Abdominal CT; this slice is in the lower chest, just above the liver; axial view; W/L 400/40 HU; 768x768 px; 15 organs annotated in this scan (counted over the whole 3D scan, not this slice; an organ is boxed only where this slice passes through it)
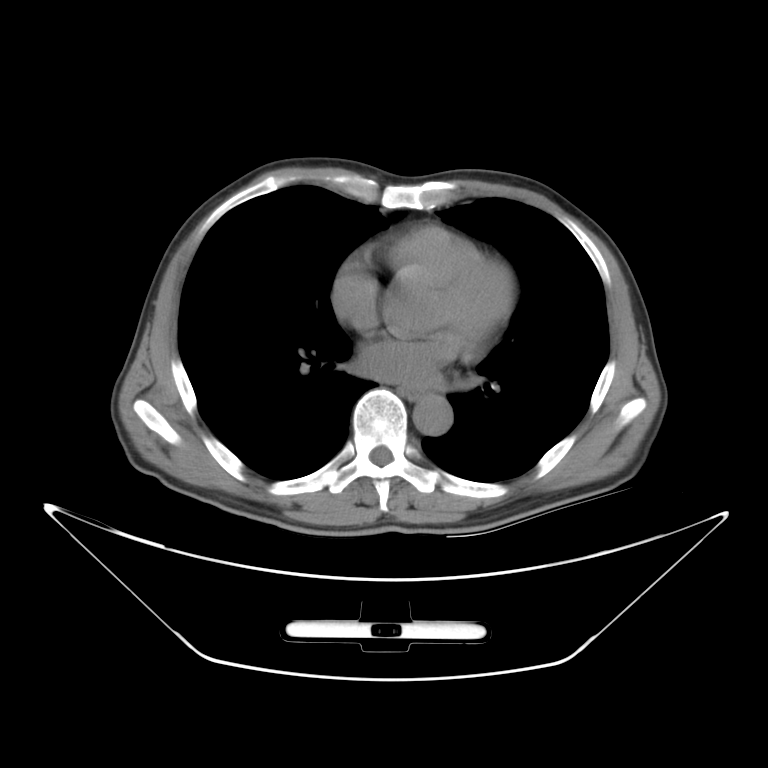

No part of the heart or lungs is labeled in this dataset, so neither has a box here.
Boxes are (x1, y1, x2, y2) in pixels.
Organ bounding boxes:
- esophagus: (398, 386, 425, 398)
- aorta: (413, 394, 451, 434)